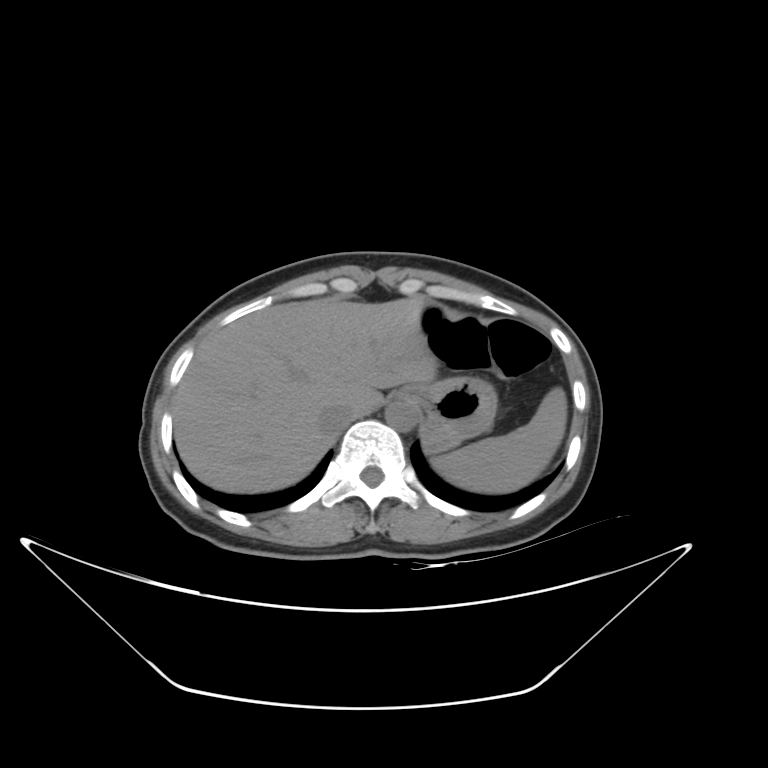
CT, abdomen/pelvis. axial view. 768x768 px. 43-year-old female patient. scan has 15 labeled organs (a whole-scan count: organs this slice does not pass through have no box)
<organs><organ name="spleen" x1="433" y1="387" x2="567" y2="493"/><organ name="esophagus" x1="392" y1="388" x2="414" y2="401"/><organ name="liver" x1="174" y1="297" x2="437" y2="493"/><organ name="stomach" x1="409" y1="377" x2="496" y2="450"/><organ name="aorta" x1="385" y1="399" x2="418" y2="431"/><organ name="inferior vena cava" x1="319" y1="403" x2="355" y2="432"/></organs>